Abdominal CT. axial plane, index 70. W/L 400/40 HU. 768x768 px. Brilliance16 scanner
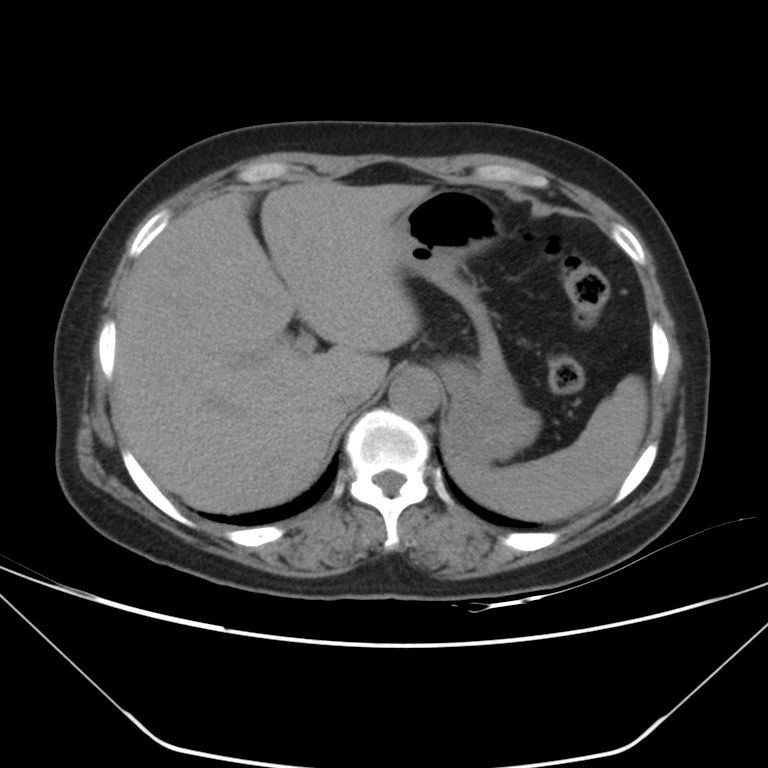 Boxes: x1:y1:x2:y2 in pixels.
spleen: 449:375:647:522
liver: 112:179:432:512
stomach: 391:187:540:464
aorta: 388:370:440:418
inferior vena cava: 332:380:367:412